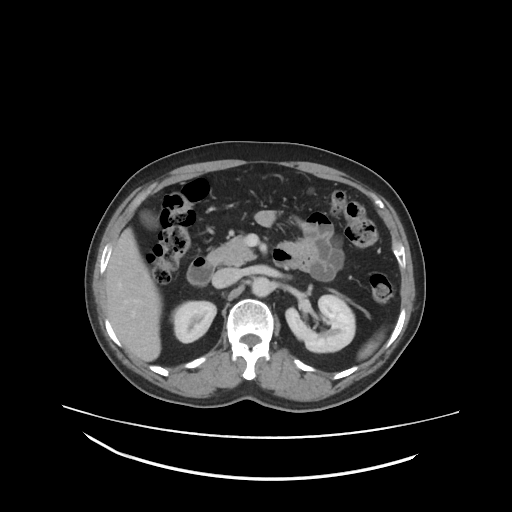
CT, abdomen/pelvis; axial view; abdomen soft-tissue window; 512x512 px
Each box given as x1,y1,x2,y2. Labeled organs on this slice: pancreas at x1=206, y1=237, x2=254, y2=264, right kidney at x1=174, y1=300, x2=216, y2=342, inferior vena cava at x1=212, y1=265, x2=243, y2=288, spleen at x1=358, y1=332, x2=382, y2=357, duodenum at x1=186, y1=257, x2=214, y2=284, aorta at x1=252, y1=278, x2=271, y2=297, left kidney at x1=285, y1=295, x2=355, y2=353, liver at x1=106, y1=227, x2=160, y2=362, gall bladder at x1=142, y1=212, x2=159, y2=229.